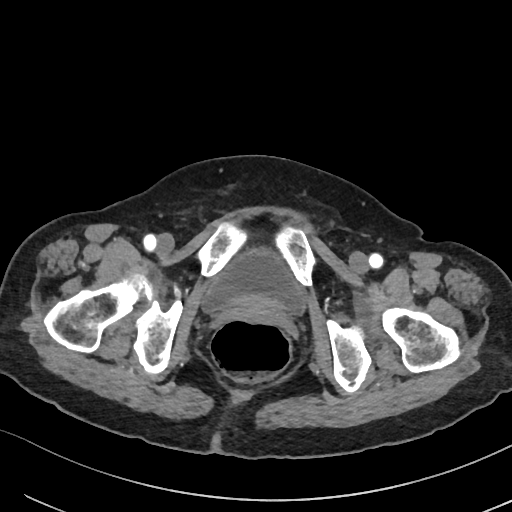 CT, abdomen/pelvis — Axial slice 30/297 — abdomen soft-tissue window — 512x512 px
<organs><organ name="bladder" x1="203" y1="250" x2="303" y2="313"/></organs>